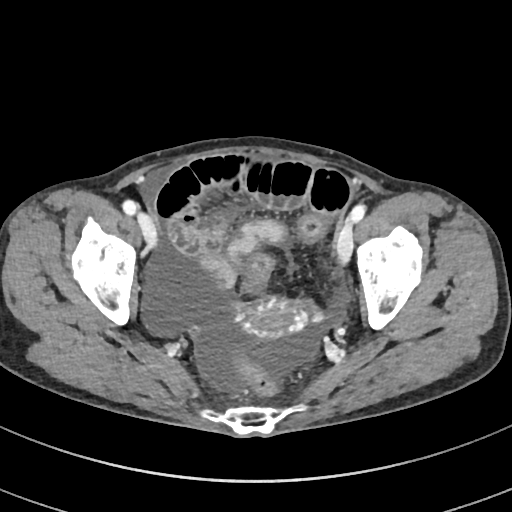 Computed tomography, abdomen — axial view — acquired on SOMATOM Force
Each box given as x1,y1,x2,y2.
Organ bounding boxes:
- prostate/uterus: x1=240, y1=297, x2=304, y2=338